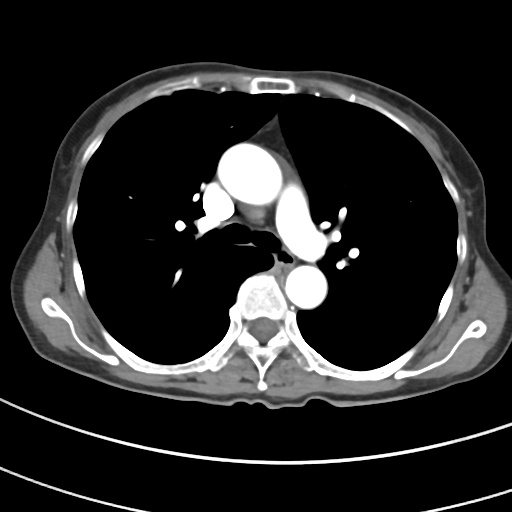

Abdominal CT reaching into the chest; this slice is in the chest · axial view · soft-tissue window
At this level of the chest this dataset labels only the esophagus and the aorta, and each is boxed only where it is labeled; the heart and lungs are never labeled.
Bounding boxes as [x1, y1, x2, y2] in pixel coordinates.
Organ bounding boxes:
- aorta: [217, 142, 281, 204]
- aorta: [284, 265, 327, 309]
- esophagus: [274, 249, 294, 268]